Computed tomography, abdomen — axial plane, index 6
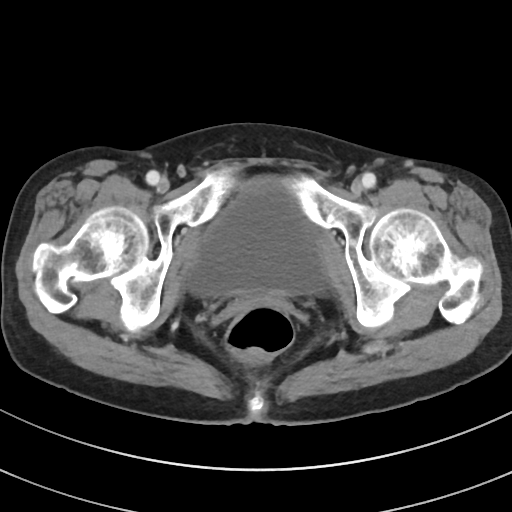
Coordinates as <box>x1,y1,x2,y2</box> in pixels.
bladder: <box>187,179,326,296</box>